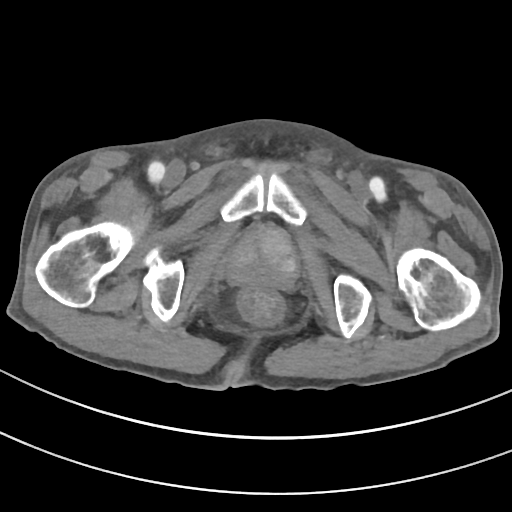
Computed tomography, abdomen; axial view; soft-tissue window; scan has 15 labeled organs (a whole-scan count: organs this slice does not pass through have no box)
<organs><organ name="prostate/uterus" x1="227" y1="228" x2="296" y2="287"/></organs>